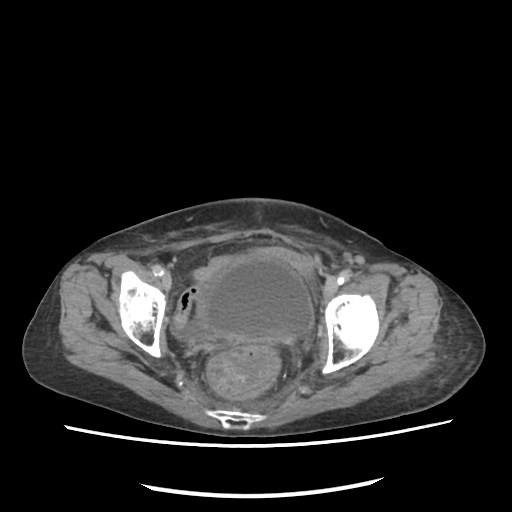
CT abdomen — axial plane, index 18 — 512x512 px — 52-year-old female patient
Boxes: x1 y1 x2 y2 (pixel coords, space-separated).
Organ bounding boxes:
- bladder: 196 255 313 340